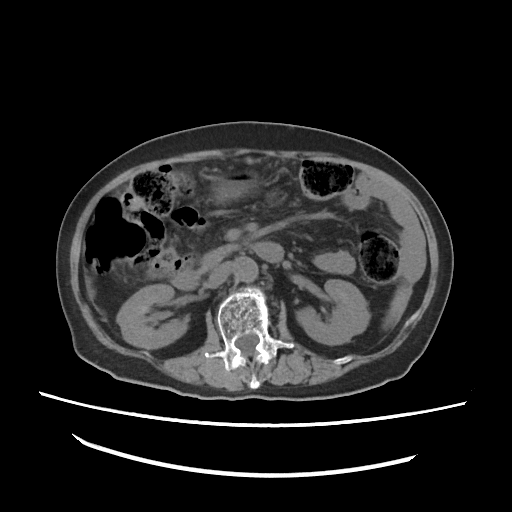 Computed tomography, abdomen — Axial slice 61/100 — soft-tissue window — acquired on Aquilion ONE — 15 organs annotated in this scan (counted over the whole 3D scan, not this slice; an organ is boxed only where this slice passes through it)
Bounding boxes as [x1, y1, x2, y2] in pixel coordinates.
Organ bounding boxes:
- right kidney: [116, 284, 186, 349]
- stomach: [212, 167, 254, 201]
- left kidney: [297, 277, 368, 345]
- spleen: [383, 285, 413, 329]
- aorta: [231, 257, 257, 282]
- duodenum: [171, 242, 283, 289]
- inferior vena cava: [208, 260, 232, 283]
- pancreas: [201, 243, 238, 271]